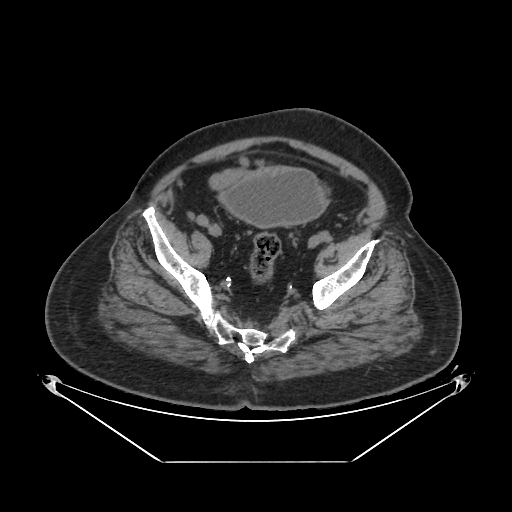 CT abdomen — axial view — soft-tissue window (W 400 / L 40)
Box edges are left/top/right/bottom in pixels.
Organ bounding boxes:
- bladder: left=219, top=167, right=327, bottom=227